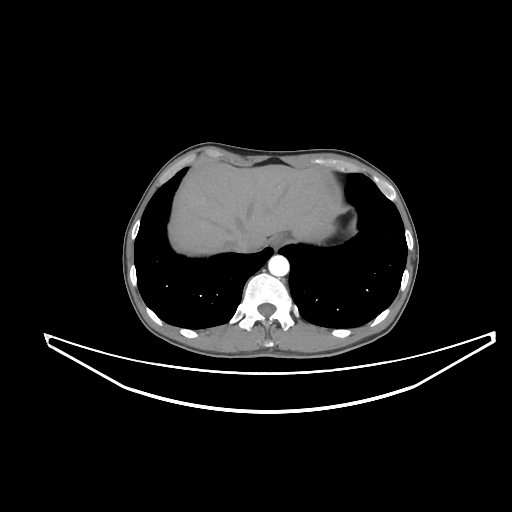

CT abdomen; axial view; abdomen soft-tissue window
Box edges are left/top/right/bottom in pixels.
Organ bounding boxes:
- stomach: left=319, top=212, right=334, bottom=235
- inferior vena cava: left=232, top=235, right=254, bottom=252
- aorta: left=268, top=255, right=289, bottom=276
- esophagus: left=270, top=234, right=283, bottom=246
- liver: left=172, top=162, right=331, bottom=255